CT, abdomen/pelvis — axial view
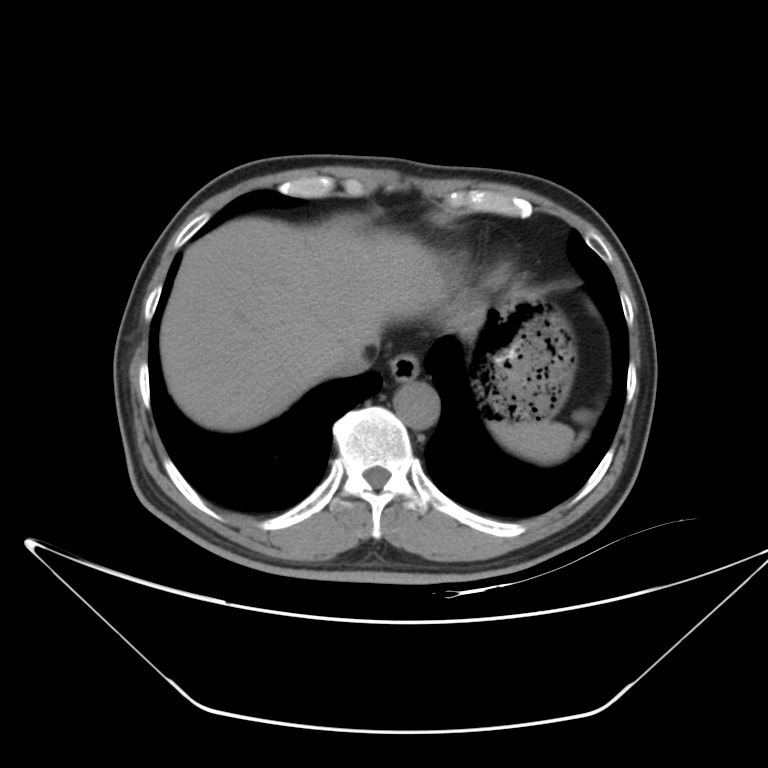 Boxes: x1 y1 x2 y2 (pixel coords, space-separated).
spleen: 490 419 573 464
esophagus: 390 353 418 382
liver: 160 217 445 431
stomach: 476 289 576 421
aorta: 393 381 440 428
inferior vena cava: 327 348 369 376